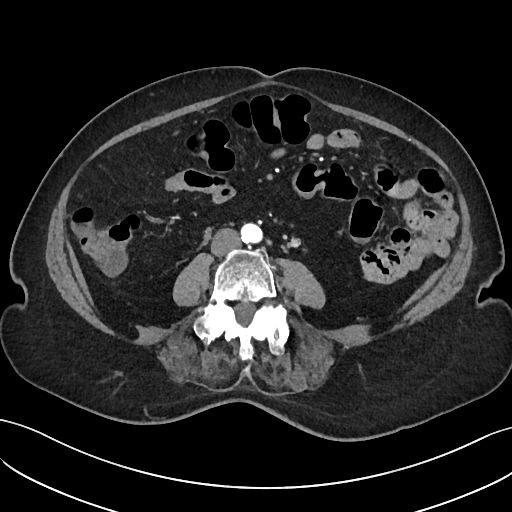 Abdominal CT; axial plane, index 92; soft-tissue window (W 400 / L 40); SOMATOM Force scanner; scan has 15 labeled organs (counted over the whole 3D scan, not this slice; an organ is boxed only where this slice passes through it)
Boxes: x1:y1:x2:y2 in pixels.
Organ bounding boxes:
- aorta: 240:224:263:243
- inferior vena cava: 211:229:241:256